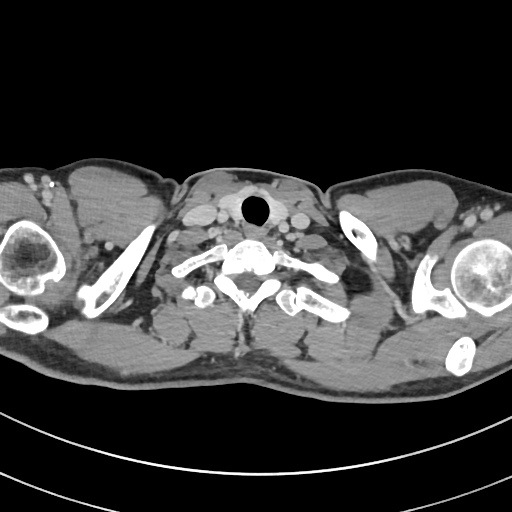
Abdominal CT reaching into the chest; this slice is in the chest. axial plane, index 290. soft-tissue window
At this level of the chest this dataset labels only the esophagus and the aorta, and each is boxed only where it is labeled; the heart and lungs are never labeled.
Boxes: x1 y1 x2 y2 (pixel coords, space-separated).
esophagus: 244 225 265 237